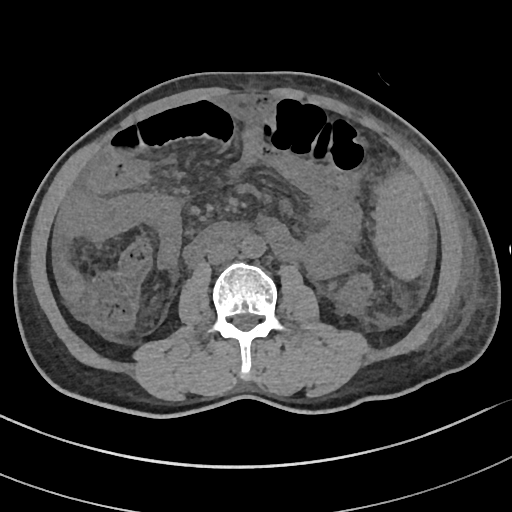

Computed tomography, abdomen. Axial slice 108/206. abdomen soft-tissue window. SOMATOM Force scanner
<organs><organ name="spleen" x1="375" y1="174" x2="427" y2="279"/><organ name="aorta" x1="240" y1="234" x2="265" y2="258"/><organ name="inferior vena cava" x1="207" y1="243" x2="236" y2="264"/><organ name="duodenum" x1="184" y1="224" x2="249" y2="262"/></organs>